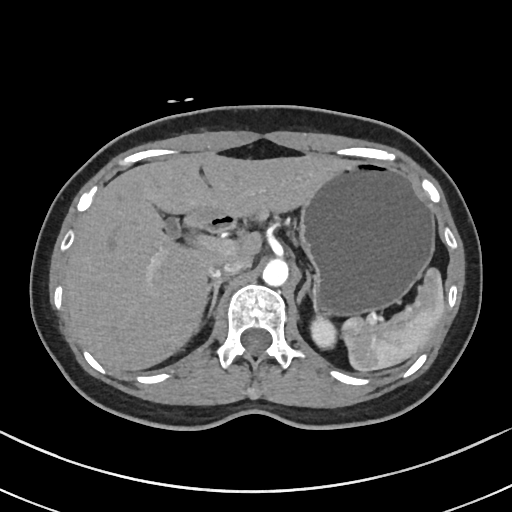
CT, abdomen/pelvis · axial plane, index 184 · W/L 400/40 HU
Coordinates as <box>x1,y1,x2,y2</box> in pixels. 11 labeled organs on this slice — spleen at <box>343,267,445,371</box>; left kidney at <box>312,316,336,347</box>; gall bladder at <box>164,216,180,235</box>; liver at <box>65,151,348,369</box>; stomach at <box>192,160,434,312</box>; aorta at <box>263,257,288,284</box>; inferior vena cava at <box>208,256,250,277</box>; pancreas at <box>252,208,273,221</box>; right adrenal gland at <box>198,276,226,330</box>; left adrenal gland at <box>297,268,315,303</box>; duodenum at <box>183,211,238,233</box>.